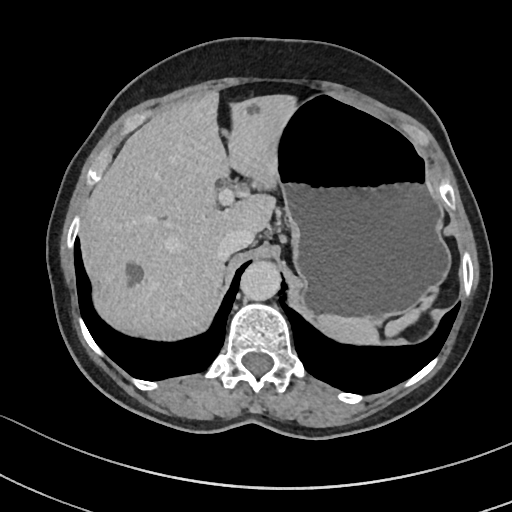
CT abdomen · axial view · scan has 15 labeled organs (counted over the whole 3D scan, not this slice; an organ is boxed only where this slice passes through it)
<organs><organ name="aorta" x1="241" y1="260" x2="281" y2="298"/><organ name="liver" x1="80" y1="91" x2="293" y2="341"/><organ name="inferior vena cava" x1="216" y1="232" x2="253" y2="261"/><organ name="spleen" x1="317" y1="293" x2="435" y2="344"/><organ name="stomach" x1="274" y1="94" x2="450" y2="319"/></organs>